CT, abdomen/pelvis. axial view. 512x512 px. acquired on SOMATOM Force
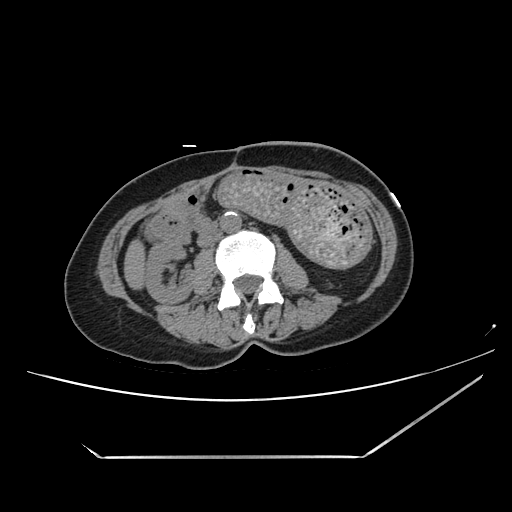 Bounding boxes as [x1, y1, x2, y2] in pixel coordinates.
Organ bounding boxes:
- right kidney: [147, 244, 196, 304]
- liver: [124, 238, 145, 288]
- stomach: [218, 173, 374, 268]
- aorta: [220, 211, 241, 232]
- inferior vena cava: [197, 233, 219, 247]
- pancreas: [166, 200, 186, 216]
- duodenum: [146, 207, 218, 247]